CT, abdomen/pelvis. axial plane, index 260. 512x512 px
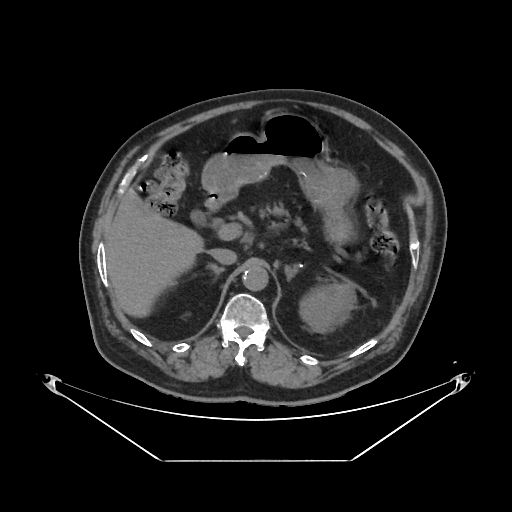 One row per box, in pixels: columns x1 and y1 give the top-left corner, x2 and y2 the bottom-right.
| organ | x1 | y1 | x2 | y2 |
|---|---|---|---|---|
| left kidney | 298 | 279 | 356 | 333 |
| liver | 106 | 189 | 202 | 316 |
| stomach | 202 | 113 | 356 | 237 |
| aorta | 242 | 265 | 268 | 290 |
| inferior vena cava | 209 | 248 | 236 | 264 |
| pancreas | 258 | 206 | 312 | 234 |
| right adrenal gland | 210 | 262 | 223 | 272 |
| left adrenal gland | 285 | 262 | 299 | 275 |
| duodenum | 192 | 193 | 227 | 221 |